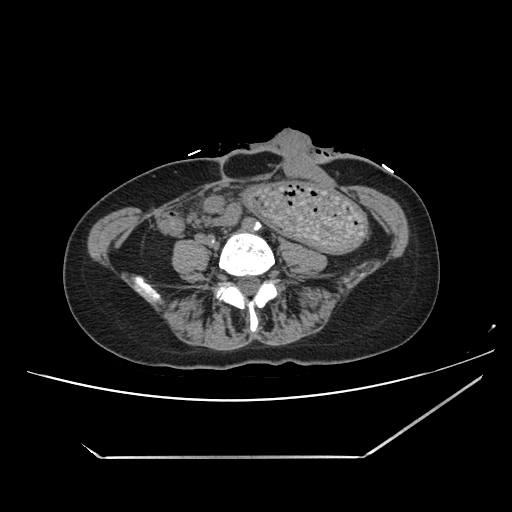

CT abdomen. axial view. soft-tissue window
{"organs":{"stomach":[243,181,368,251]}}